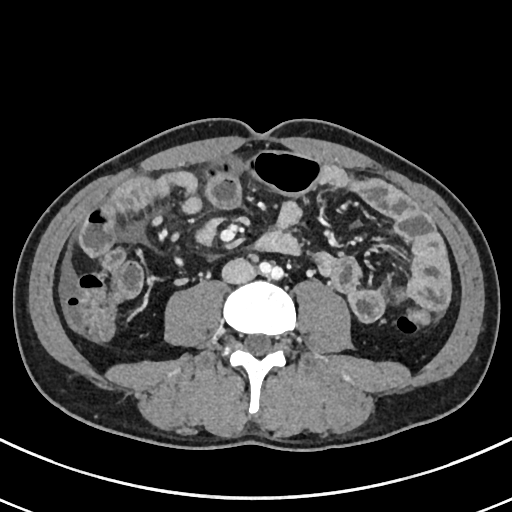

CT, abdomen/pelvis. axial view. soft-tissue window. acquired on SOMATOM Force
Coordinates as <box>x1,y1,x2,y2</box> in pixels. 1 labeled organ on this slice — inferior vena cava at <box>221,258,255,283</box>.